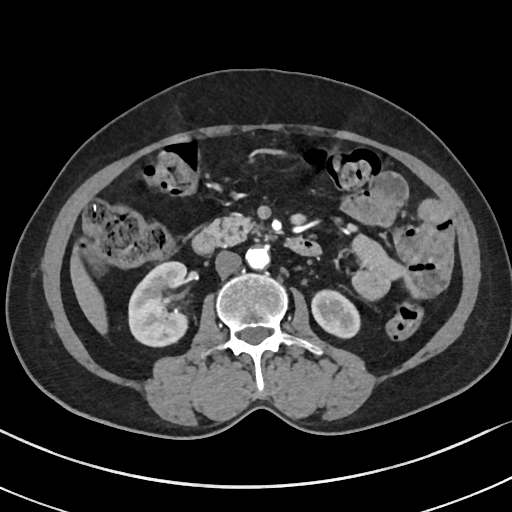
CT, abdomen/pelvis. axial plane, index 128. 512x512 px. scan has 15 labeled organs (that count is for the whole scan; organs this slice misses have no box)
Boxes are (x1, y1, x2, y2) in pixels.
right kidney: (129, 261, 187, 346)
left kidney: (312, 290, 360, 337)
liver: (70, 255, 107, 334)
aorta: (245, 247, 269, 269)
inferior vena cava: (215, 251, 241, 276)
pancreas: (206, 213, 260, 245)
duodenum: (192, 229, 320, 255)